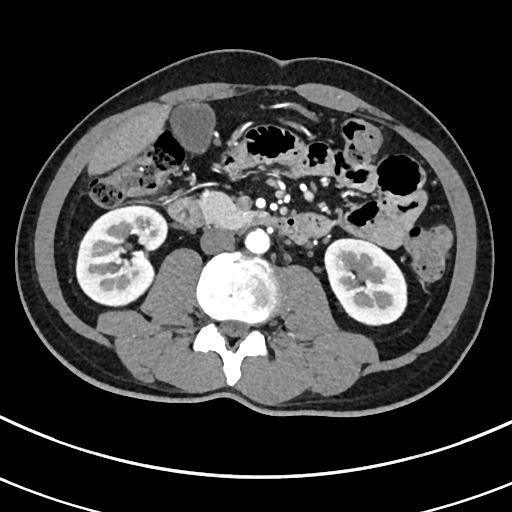
Computed tomography, abdomen; axial plane, index 116; soft-tissue window; acquired on SOMATOM Force
Bounding boxes in pixels, one row per box: x1, y1 is the top-left corner and x2, y2 the bottom-right.
| organ | x1 | y1 | x2 | y2 |
|---|---|---|---|---|
| right kidney | 76 | 206 | 167 | 305 |
| left kidney | 325 | 239 | 406 | 324 |
| gall bladder | 170 | 102 | 214 | 152 |
| liver | 88 | 104 | 170 | 175 |
| aorta | 244 | 229 | 269 | 254 |
| inferior vena cava | 200 | 227 | 234 | 254 |
| pancreas | 198 | 191 | 267 | 228 |
| duodenum | 167 | 197 | 312 | 242 |